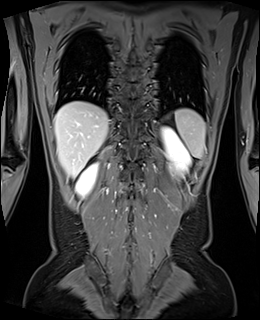

Abdominal MRI; coronal plane, index 46; Prisma scanner
Box edges are left/top/right/bottom in pixels.
spleen: left=175, top=109, right=205, bottom=157
right kidney: left=76, top=163, right=97, bottom=195
left kidney: left=162, top=127, right=191, bottom=175
liver: left=55, top=101, right=108, bottom=177